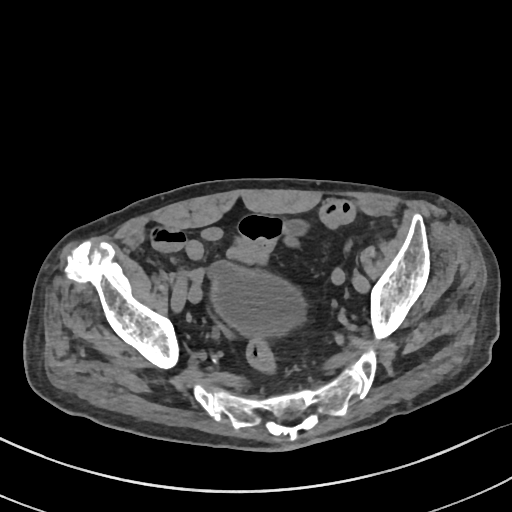

CT, abdomen/pelvis — axial view — soft-tissue window
{"organs":{"bladder":[212,263,305,334]}}